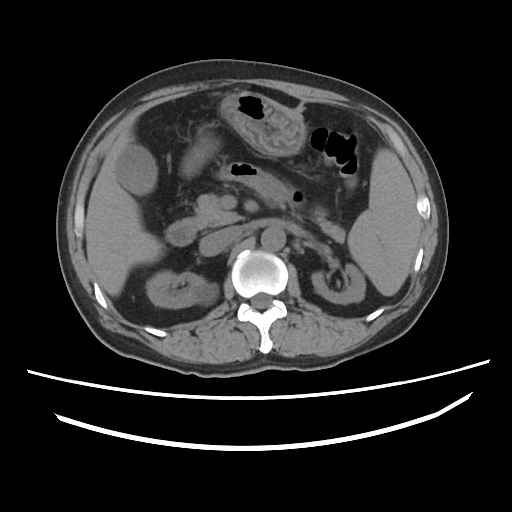
CT abdomen — axial view — soft-tissue window (W 400 / L 40) — Aquilion ONE scanner — 15 organs annotated in this scan (counted over the whole 3D scan, not this slice; an organ is boxed only where this slice passes through it)
Box edges are left/top/right/bottom in pixels.
Organ bounding boxes:
- stomach: left=181, top=92, right=306, bottom=176
- gall bladder: left=116, top=144, right=157, bottom=195
- duodenum: left=166, top=218, right=197, bottom=245
- right kidney: left=146, top=270, right=218, bottom=308
- aorta: left=261, top=227, right=285, bottom=250
- liver: left=85, top=136, right=163, bottom=295
- spleen: left=347, top=149, right=422, bottom=296
- inferior vena cava: left=199, top=228, right=239, bottom=255
- left kidney: left=311, top=264, right=365, bottom=304
- pancreas: left=193, top=194, right=344, bottom=241